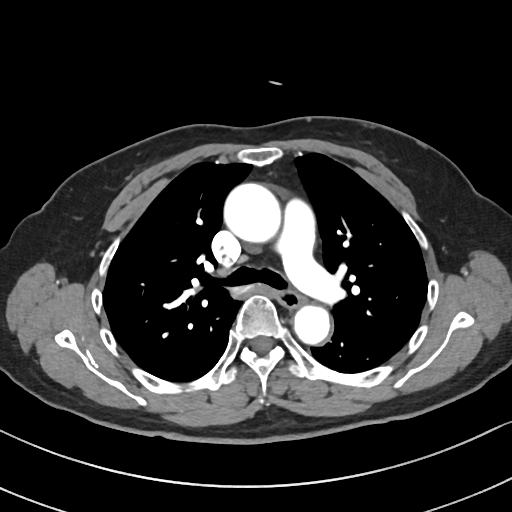 CT of the abdomen extending into the chest, slice through the chest. axial view. W/L 400/40 HU. acquired on SOMATOM Force
At this level of the chest this dataset labels only the esophagus and the aorta, and each is boxed only where it is labeled; the heart and lungs are never labeled.
Bounding boxes as [x1, y1, x2, y2] in pixel coordinates.
Organ bounding boxes:
- esophagus: [279, 291, 302, 308]
- aorta: [223, 183, 280, 242]
- aorta: [294, 304, 332, 344]